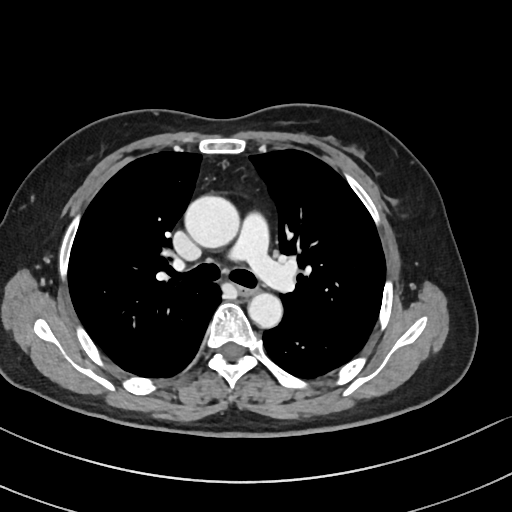 Chest-level slice from an abdominal CT that extends up into the chest · Axial slice 264/314
At this level of the chest this dataset labels only the esophagus and the aorta, and each is boxed only where it is labeled; the heart and lungs are never labeled.
{"organs":{"esophagus":[239,286,256,295],"aorta":[[183,195,238,248],[248,293,282,328]]}}